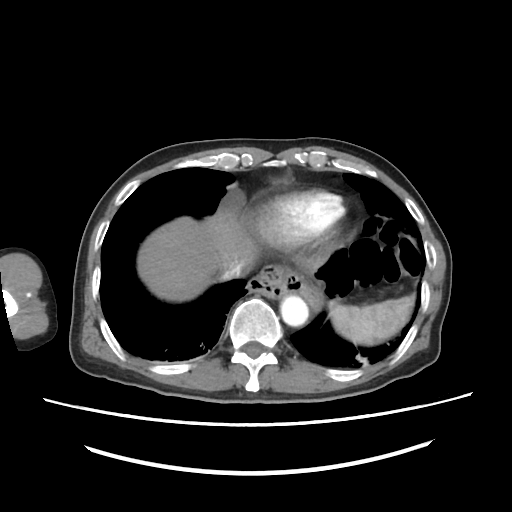 CT, abdomen/pelvis. axial view. soft-tissue window (W 400 / L 40). 512x512 px. 61-year-old male patient. Aquilion ONE scanner. scan has 14 labeled organs (counted over the whole 3D scan, not this slice; an organ is boxed only where this slice passes through it)
Coordinates as <box>x1,y1,x2,y2</box> in pixels. 4 labeled organs on this slice — spleen at <box>328,293,416,344</box>; liver at <box>137,213,258,300</box>; aorta at <box>280,295,310,326</box>; inferior vena cava at <box>215,259,250,281</box>.